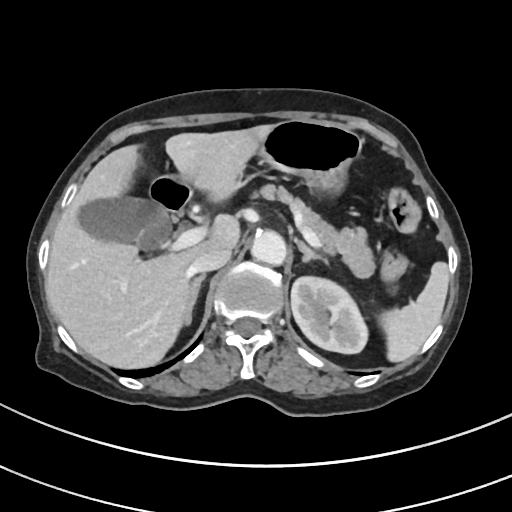

CT, abdomen/pelvis; axial view; acquired on SOMATOM Force
Bounding boxes as [x1, y1, x2, y2] in pixel coordinates.
left adrenal gland: [298, 242, 328, 264]
spleen: [379, 261, 448, 363]
right adrenal gland: [184, 275, 206, 325]
liver: [46, 124, 275, 368]
aorta: [252, 232, 287, 267]
stomach: [261, 120, 361, 191]
pancreas: [264, 187, 375, 278]
duodenum: [151, 175, 191, 212]
gall bladder: [77, 198, 169, 247]
inferior vena cava: [190, 250, 229, 273]
left kidney: [291, 277, 368, 354]